CT, abdomen/pelvis — Axial slice 102/302
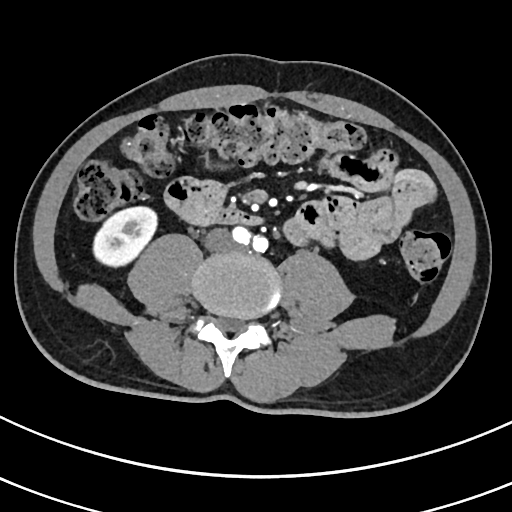 Boxes are (x1, y1, x2, y2) in pixels.
Organ bounding boxes:
- right kidney: (93, 207, 156, 266)
- inferior vena cava: (205, 228, 229, 248)
- duodenum: (216, 209, 259, 223)